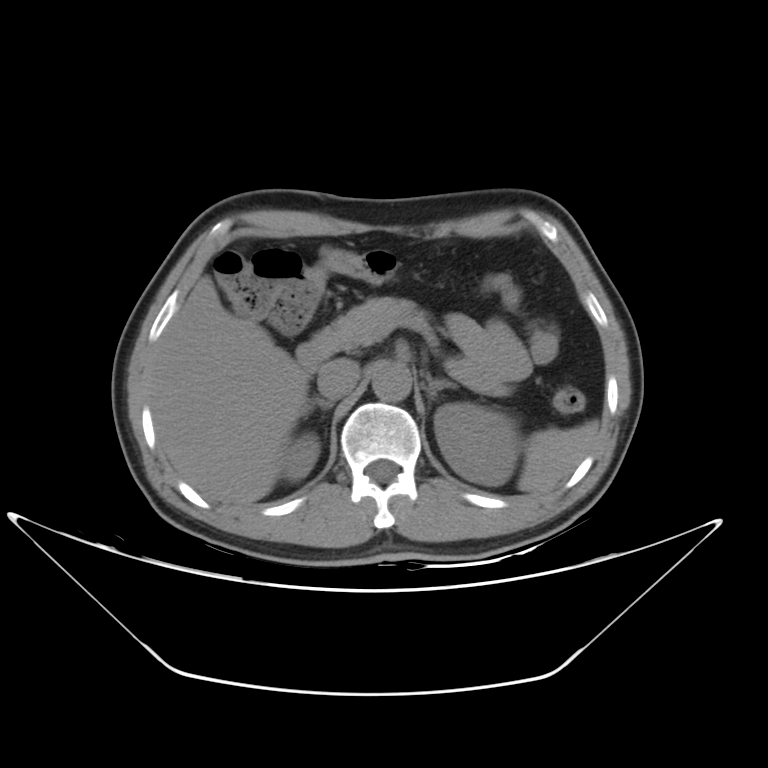

CT abdomen — axial view — abdomen soft-tissue window — 768x768 px
Boxes: x1 y1 x2 y2 (pixel coords, space-separated). 10 labeled organs on this slice — pancreas at 336 296 508 398; inferior vena cava at 316 360 356 400; liver at 148 275 307 508; duodenum at 296 325 340 376; right kidney at 279 434 320 477; aorta at 372 361 410 400; spleen at 519 422 597 495; left adrenal gland at 424 373 452 403; right adrenal gland at 303 396 333 415; left kidney at 434 404 518 486.